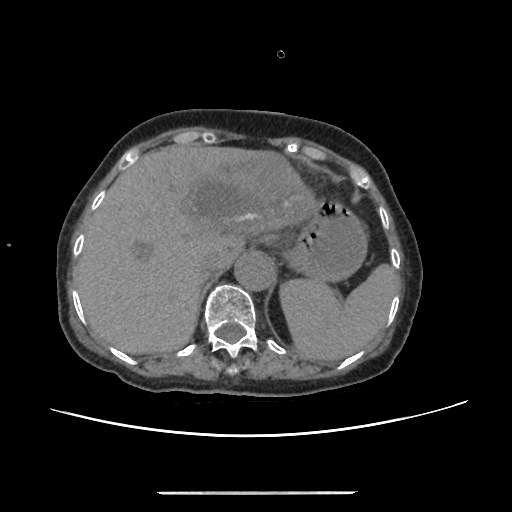
Computed tomography, abdomen · Axial slice 283/353 · scan has 14 labeled organs (counted over the whole 3D scan, not this slice; an organ is boxed only where this slice passes through it)
Bounding boxes in pixels, one row per box: x1, y1 is the top-left corner and x2, y2 the bottom-right.
| organ | x1 | y1 | x2 | y2 |
|---|---|---|---|---|
| spleen | 279 | 264 | 399 | 361 |
| liver | 74 | 145 | 317 | 354 |
| stomach | 283 | 200 | 367 | 282 |
| aorta | 234 | 253 | 275 | 291 |
| inferior vena cava | 199 | 252 | 220 | 273 |